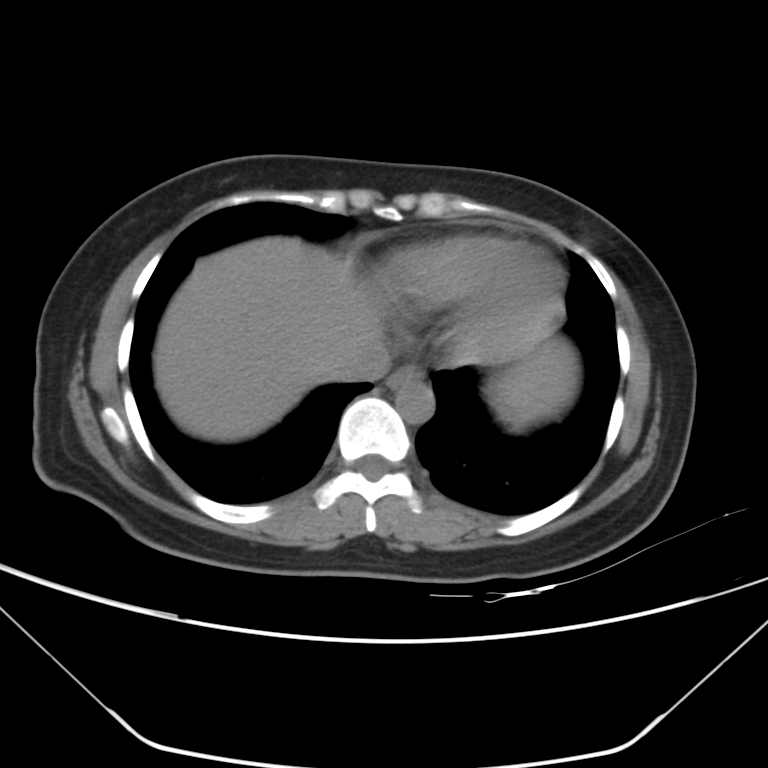
CT, abdomen/pelvis. axial plane, index 79. 32-year-old female patient
Organ boxes in pixel coordinates; each row gives the top-left (x1, y1) and bottom-right (x2, y2) corners.
| organ | x1 | y1 | x2 | y2 |
|---|---|---|---|---|
| spleen | 506 | 391 | 508 | 393 |
| esophagus | 386 | 364 | 422 | 388 |
| liver | 154 | 237 | 578 | 441 |
| aorta | 396 | 379 | 434 | 424 |
| inferior vena cava | 330 | 338 | 391 | 381 |